Computed tomography, abdomen — axial view
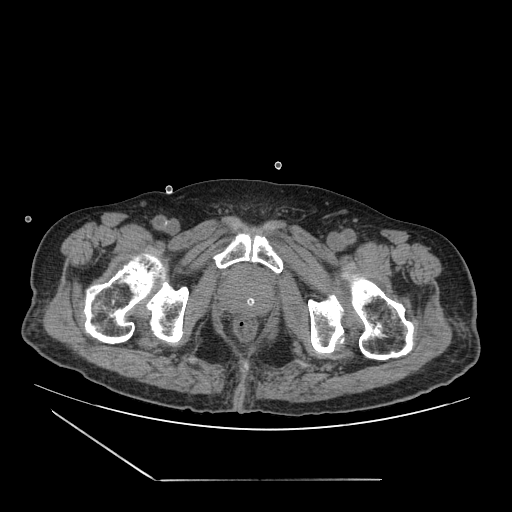 Boxes: x1 y1 x2 y2 (pixel coords, space-separated).
Organ bounding boxes:
- prostate/uterus: 219 267 273 313